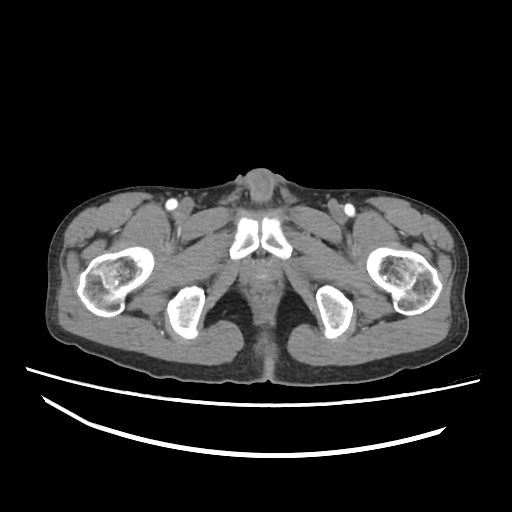

Abdominal CT — Axial slice 16/140 — 512x512 px — scan has 15 labeled organs (a whole-scan count: organs this slice does not pass through have no box)
<organs><organ name="prostate/uterus" x1="243" y1="260" x2="278" y2="288"/></organs>